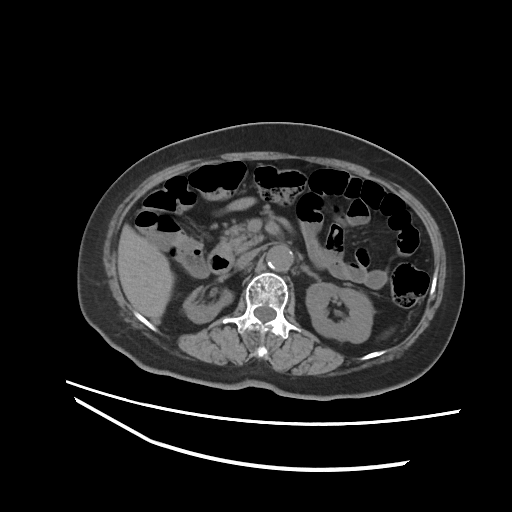
CT, abdomen/pelvis — axial view — 57-year-old female patient — acquired on Aquilion ONE
{"organs":{"right kidney":[182,289,233,323],"left kidney":[306,282,373,342],"liver":[117,224,173,321],"aorta":[266,245,293,271],"inferior vena cava":[237,248,260,267],"pancreas":[219,223,263,253],"left adrenal gland":[300,266,320,280],"duodenum":[207,246,234,273]}}